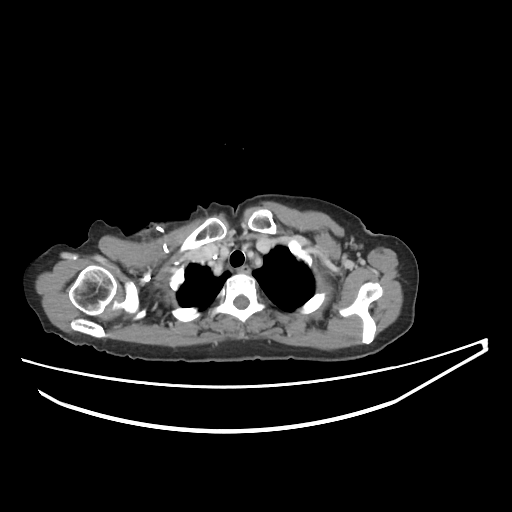
Chest-level slice from an abdominal CT that extends up into the chest — Axial slice 113/116 — soft-tissue window (W 400 / L 40)
On a slice this high in the chest, this dataset labels only the esophagus and the aorta, and each is boxed only where it is labeled; the heart, lungs and other chest structures are not labeled.
One row per box, in pixels: columns x1 and y1 give the top-left corner, x2 and y2 the bottom-right.
| organ | x1 | y1 | x2 | y2 |
|---|---|---|---|---|
| esophagus | 238 | 267 | 250 | 274 |